CT abdomen — axial view — 512x512 px
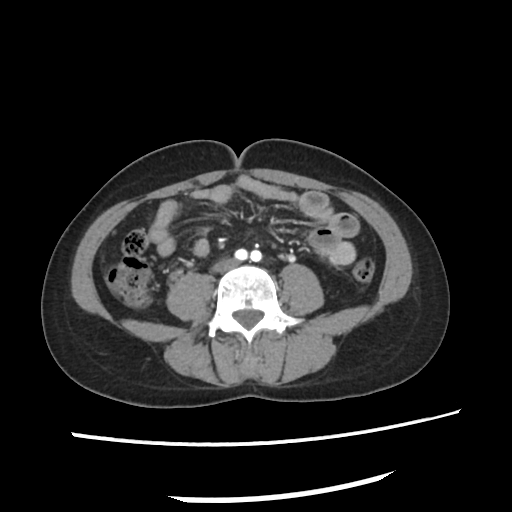

{"organs":{"inferior vena cava":[212,257,239,272]}}